CT abdomen · Axial slice 24/302 · soft-tissue window
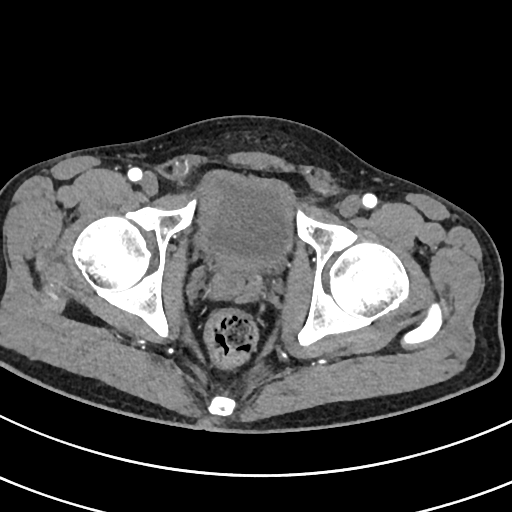 Each box given as x1,y1,x2,y2.
bladder: x1=196, y1=172, x2=293, y2=265
prostate/uterus: x1=221, y1=260, x2=256, y2=278